Abdominal MR. axial view
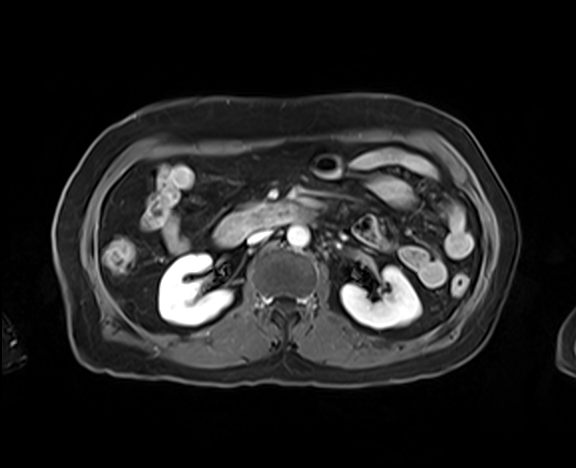

{"organs":{"right kidney":[158,253,232,325],"left kidney":[341,266,421,328],"aorta":[287,225,309,248],"inferior vena cava":[247,229,271,244],"pancreas":[248,204,263,207],"duodenum":[215,203,306,245]}}